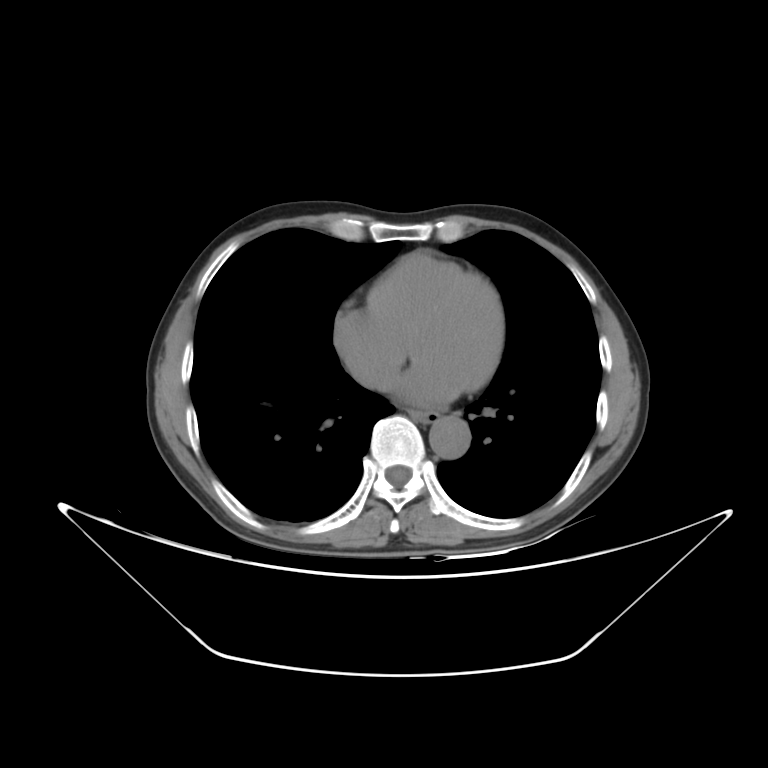
Lower-chest slice from an abdominal CT, just above the liver and spleen. axial view
No part of the heart or lungs is labeled in this dataset, so neither has a box here. Boxes: x1 y1 x2 y2 (pixel coords, space-separated). Labeled organs on this slice: aorta at 429 416 470 458, esophagus at 409 410 438 422.